Abdominal CT. axial view. soft-tissue window. 512x512 px. 45-year-old male patient. scan has 15 labeled organs (that count is for the whole scan; organs this slice misses have no box)
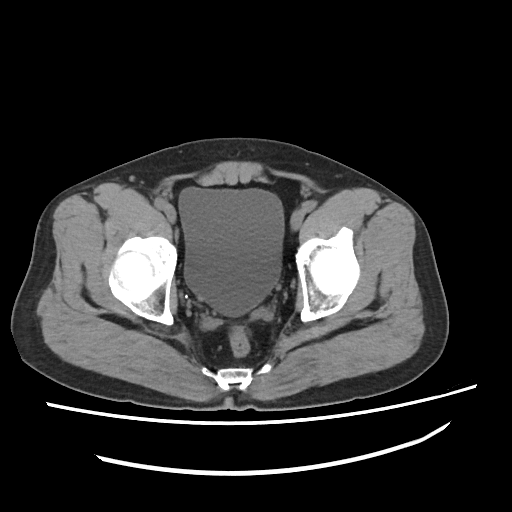
Organ boxes in pixel coordinates; each row gives the top-left (x1, y1) and bottom-right (x2, y2) corners.
| organ | x1 | y1 | x2 | y2 |
|---|---|---|---|---|
| bladder | 177 | 186 | 285 | 315 |